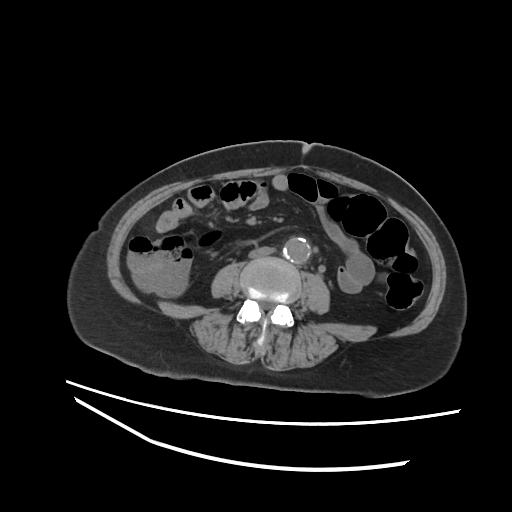

CT, abdomen/pelvis · axial view
{"organs":{"inferior vena cava":[249,246,274,258],"aorta":[283,237,310,262]}}